CT, abdomen/pelvis — axial view — W/L 400/40 HU — 43-year-old female patient
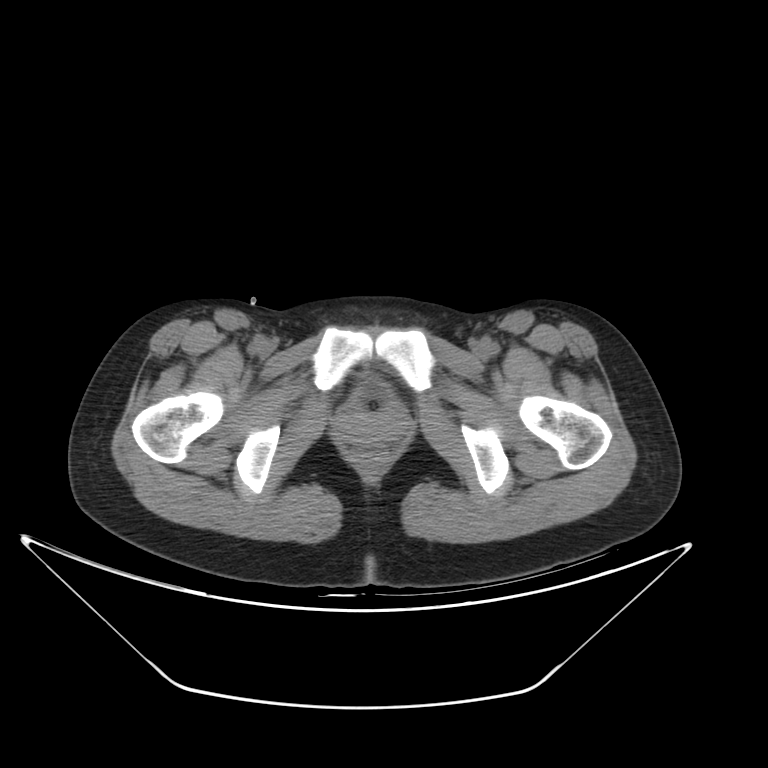
<organs><organ name="bladder" x1="352" y1="375" x2="391" y2="411"/></organs>